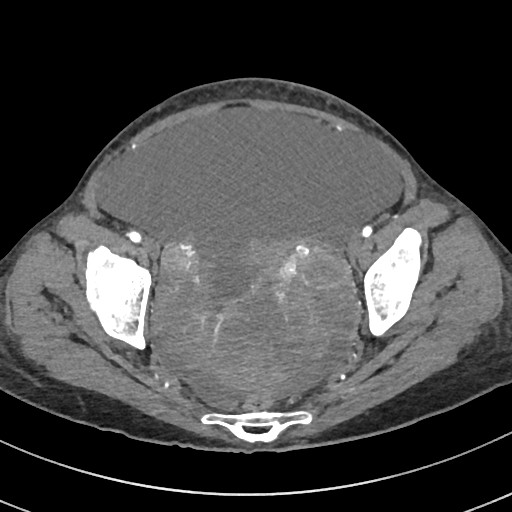
Abdominal CT; axial view; soft-tissue window; 512x512 px
Box edges are left/top/right/bottom in pixels. 1 labeled organ on this slice — prostate/uterus at left=250, top=244, right=281, bottom=272.